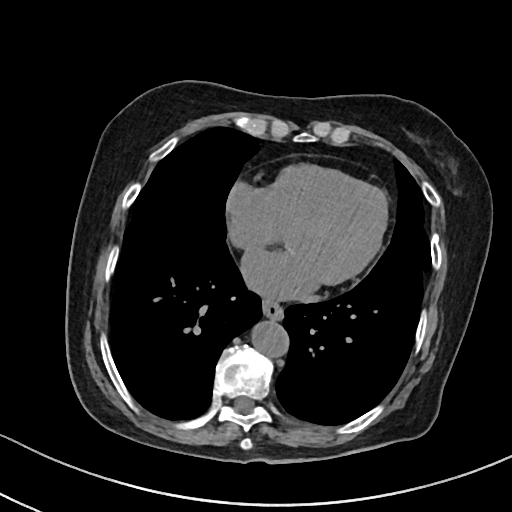
CT of the abdomen reaching into the lower chest, slice just above the liver and spleen · axial view
Of the structures in the chest, this dataset labels only the esophagus, the aorta and the inferior vena cava; the heart and lungs have no label.
Organ boxes in pixel coordinates; each row gives the top-left (x1, y1) and bottom-right (x2, y2) corners.
| organ | x1 | y1 | x2 | y2 |
|---|---|---|---|---|
| aorta | 251 | 320 | 288 | 357 |
| esophagus | 262 | 299 | 283 | 320 |